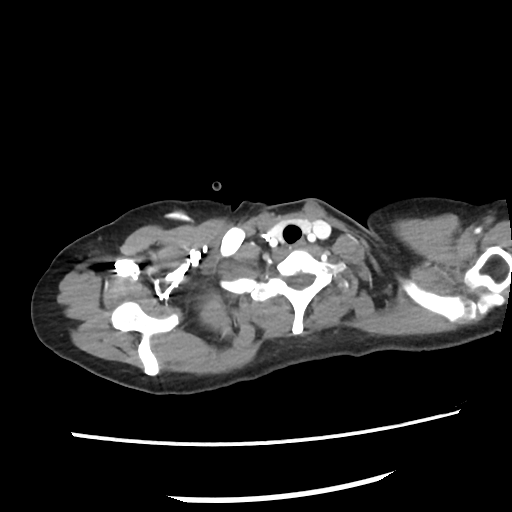 Chest-level slice from an abdominal CT that extends up into the chest · axial view · 34-year-old female patient
At this level of the chest this dataset labels only the esophagus and the aorta, and each is boxed only where it is labeled; the heart and lungs are never labeled.
Each box given as x1,y1,x2,y2.
esophagus: x1=295, y1=241, x2=304, y2=248